Abdominal CT · axial view · soft-tissue window
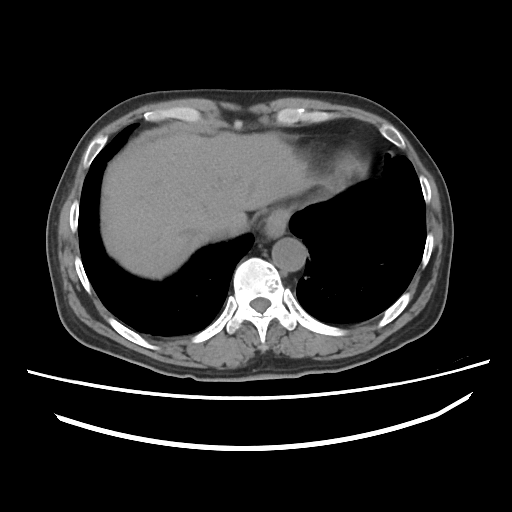 <organs><organ name="aorta" x1="272" y1="237" x2="306" y2="272"/><organ name="esophagus" x1="265" y1="209" x2="288" y2="236"/><organ name="inferior vena cava" x1="207" y1="225" x2="231" y2="239"/><organ name="liver" x1="101" y1="131" x2="311" y2="278"/></organs>